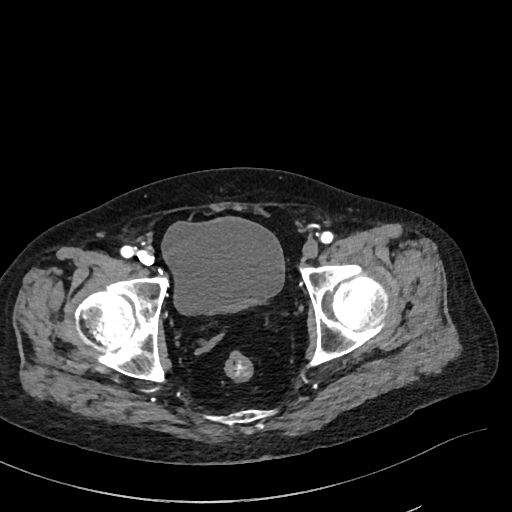 CT, abdomen/pelvis — Axial slice 42/235 — 512x512 px
Bounding boxes as [x1, y1, x2, y2] in pixel coordinates.
bladder: [162, 217, 284, 314]